Computed tomography, abdomen. axial view. 512x512 px
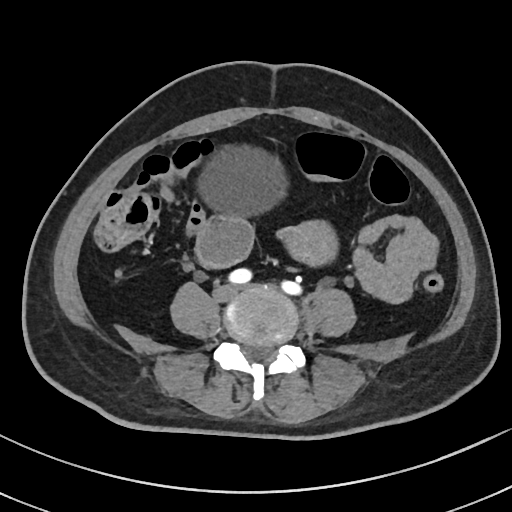 {"organs":{"bladder":[196,144,289,218],"prostate/uterus":[282,220,337,267]}}